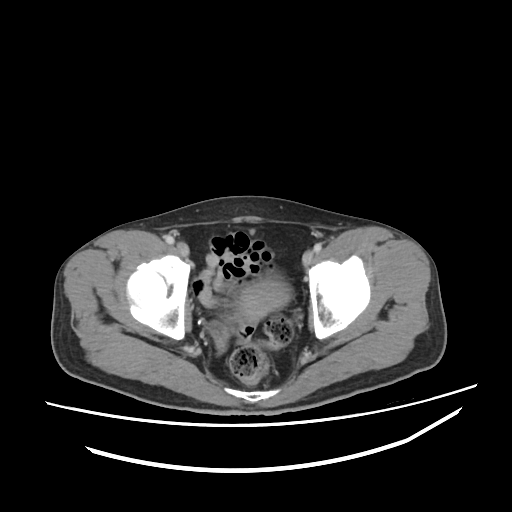 Computed tomography, abdomen; axial view; 49-year-old male patient
<organs><organ name="bladder" x1="237" y1="281" x2="289" y2="318"/></organs>